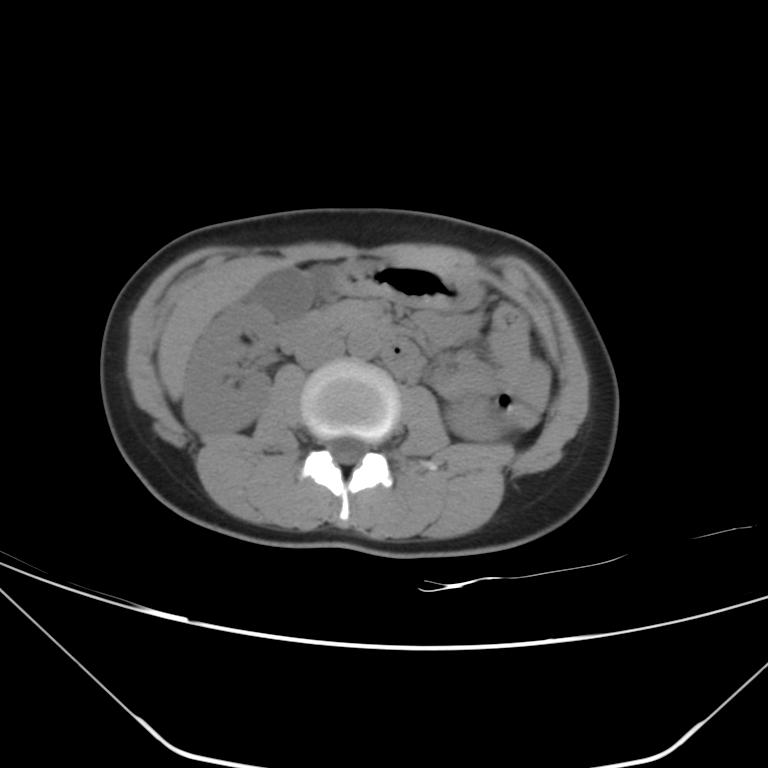

Abdominal CT · Axial slice 46/68 · soft-tissue window (W 400 / L 40) · 768x768 px · scan has 15 labeled organs (counted over the whole 3D scan, not this slice; an organ is boxed only where this slice passes through it)
Organ boxes in pixel coordinates; each row gives the top-left (x1, y1) and bottom-right (x2, y2) corners.
| organ | x1 | y1 | x2 | y2 |
|---|---|---|---|---|
| right kidney | 183 | 300 | 277 | 434 |
| left kidney | 445 | 399 | 501 | 441 |
| gall bladder | 252 | 266 | 330 | 318 |
| liver | 159 | 267 | 279 | 399 |
| stomach | 330 | 259 | 481 | 310 |
| aorta | 347 | 331 | 379 | 360 |
| inferior vena cava | 295 | 335 | 344 | 367 |
| pancreas | 319 | 300 | 378 | 335 |
| duodenum | 276 | 311 | 424 | 381 |